Abdominal CT — Axial slice 100/280 — 512x512 px
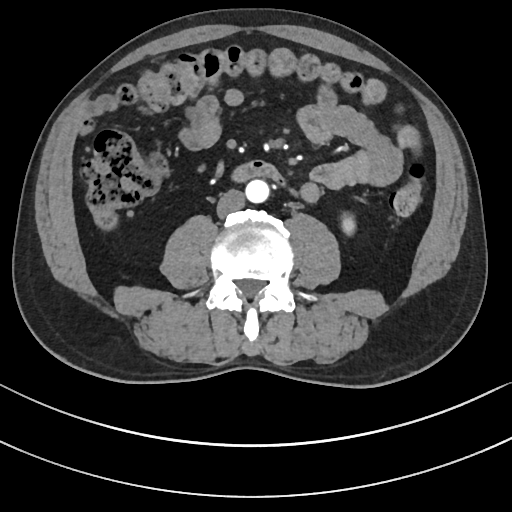
Bounding boxes as [x1, y1, x2, y2] in pixel coordinates. 4 labeled organs on this slice — aorta at [246, 179, 270, 202]; duodenum at [231, 162, 278, 181]; inferior vena cava at [217, 189, 245, 217]; left kidney at [343, 217, 356, 234].